Abdominal CT. axial view. W/L 400/40 HU. 512x512 px
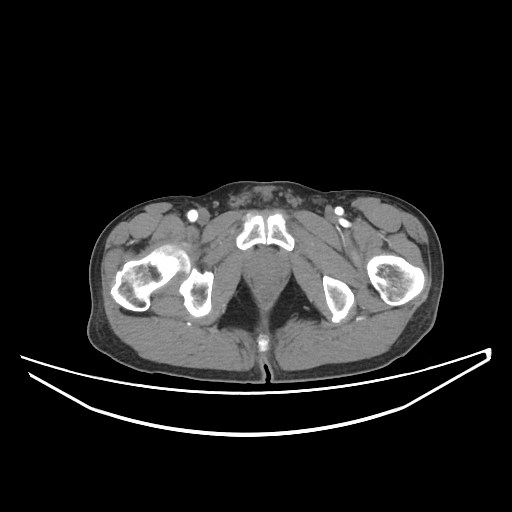

Boxes: x1:y1:x2:y2 in pixels.
prostate/uterus: 249:254:282:282